Computed tomography, abdomen. Axial slice 57/82. soft-tissue window. 512x512 px. acquired on Aquilion ONE. 15 organs annotated in this scan (counted over the whole 3D scan, not this slice; an organ is boxed only where this slice passes through it)
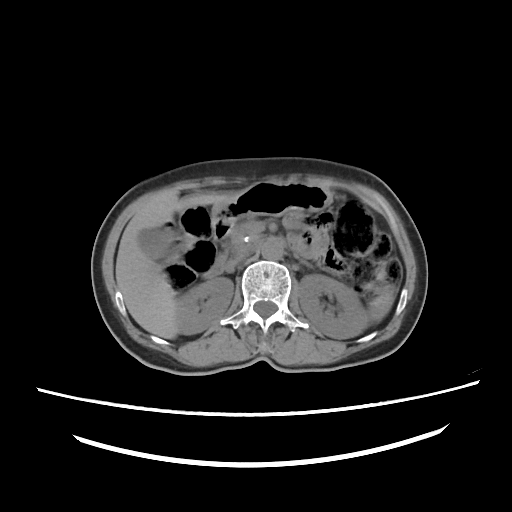 Boxes are (x1, y1, x2, y2) in pixels. 11 labeled organs on this slice — pancreas at (230, 222, 256, 251); left adrenal gland at (299, 260, 312, 267); left kidney at (298, 274, 368, 338); aorta at (261, 238, 282, 259); spleen at (367, 286, 394, 322); liver at (115, 191, 236, 339); right kidney at (176, 277, 233, 334); gall bladder at (138, 228, 171, 259); duodenum at (203, 223, 230, 278); stomach at (211, 182, 331, 227); inferior vena cava at (225, 249, 251, 271).